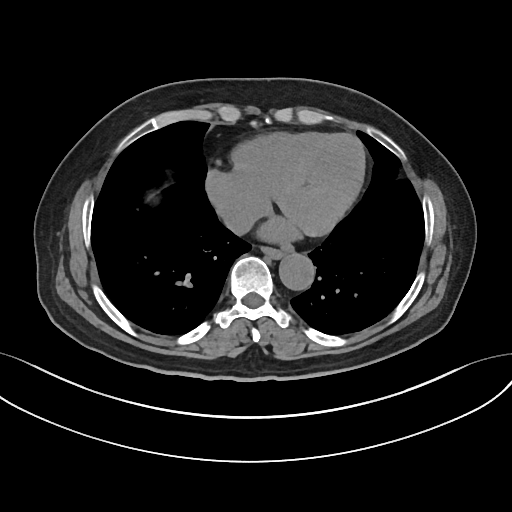

Lower-chest slice from an abdominal CT, just above the liver and spleen. axial view. W/L 400/40 HU. scan has 15 labeled organs (that count is for the whole scan; organs this slice misses have no box)
The heart and lungs are never labeled in this dataset, so they have no box on this slice.
<organs><organ name="esophagus" x1="260" y1="247" x2="283" y2="257"/><organ name="aorta" x1="278" y1="252" x2="314" y2="289"/><organ name="inferior vena cava" x1="223" y1="207" x2="257" y2="234"/></organs>